CT abdomen · axial view · acquired on Aquilion ONE
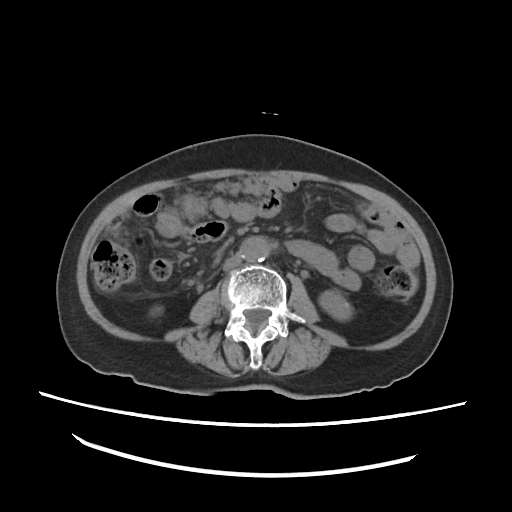

One row per box, in pixels: columns x1 and y1 give the top-left corner, x2 and y2 the bottom-right.
| organ | x1 | y1 | x2 | y2 |
|---|---|---|---|---|
| inferior vena cava | 222 | 256 | 243 | 271 |
| aorta | 242 | 238 | 271 | 263 |
| left kidney | 318 | 291 | 351 | 319 |
| right kidney | 150 | 305 | 163 | 318 |